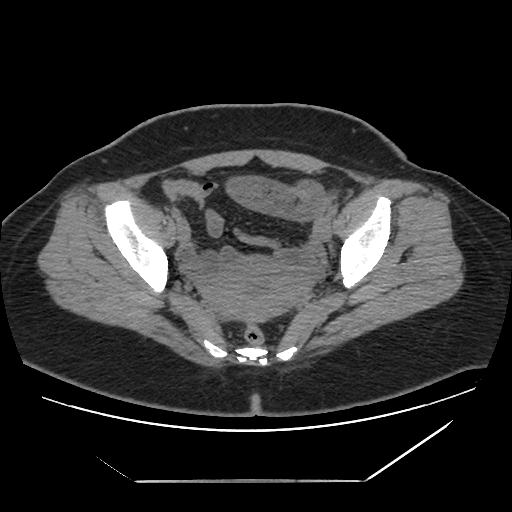 CT, abdomen/pelvis. axial view. W/L 400/40 HU
<organs><organ name="duodenum" x1="252" y1="258" x2="266" y2="260"/><organ name="prostate/uterus" x1="202" y1="260" x2="305" y2="321"/></organs>